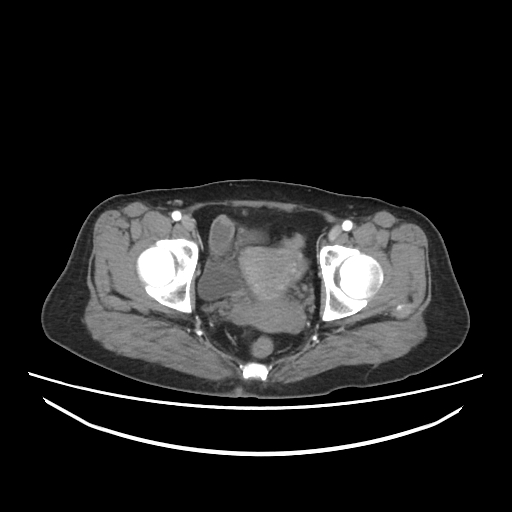

Abdominal CT; axial view; 512x512 px; 62-year-old female patient; acquired on Aquilion ONE; scan has 15 labeled organs (a whole-scan count: organs this slice does not pass through have no box)
<organs><organ name="bladder" x1="200" y1="230" x2="264" y2="300"/><organ name="prostate/uterus" x1="239" y1="245" x2="303" y2="300"/></organs>